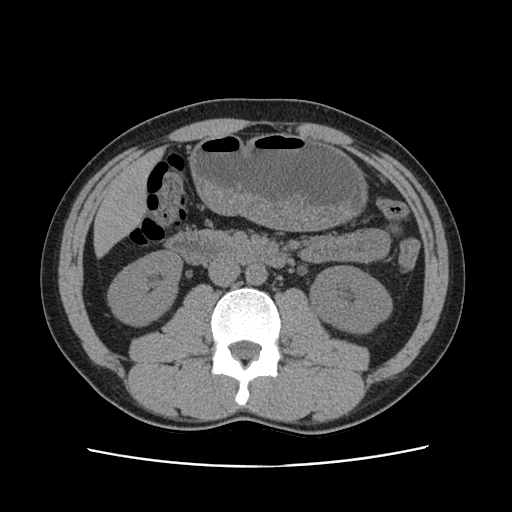

CT abdomen · axial view · W/L 400/40 HU · acquired on SOMATOM Force · 15 organs annotated in this scan (a whole-scan count: organs this slice does not pass through have no box)
{"organs":{"right kidney":[107,251,181,327],"left kidney":[308,266,393,331],"liver":[94,145,166,255],"stomach":[189,133,367,231],"aorta":[245,264,267,285],"inferior vena cava":[208,259,240,286],"pancreas":[202,231,229,240],"duodenum":[164,232,288,267]}}